Computed tomography, abdomen; Axial slice 200/307; abdomen soft-tissue window; 512x512 px; acquired on SOMATOM Force
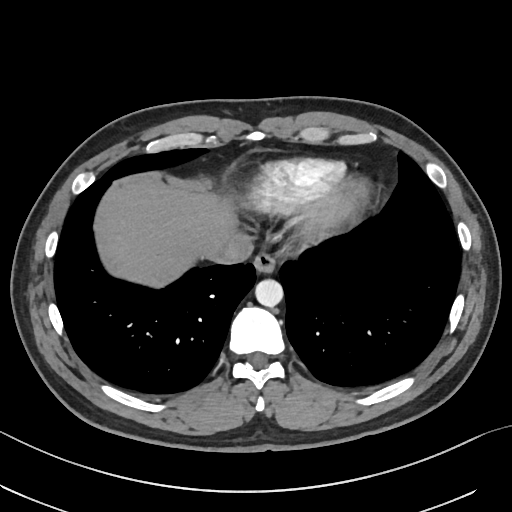 Bounding boxes as [x1, y1, x2, y2] in pixel coordinates.
Organ bounding boxes:
- liver: [101, 174, 239, 287]
- esophagus: [254, 253, 276, 271]
- aorta: [255, 278, 283, 306]
- inferior vena cava: [207, 235, 252, 264]